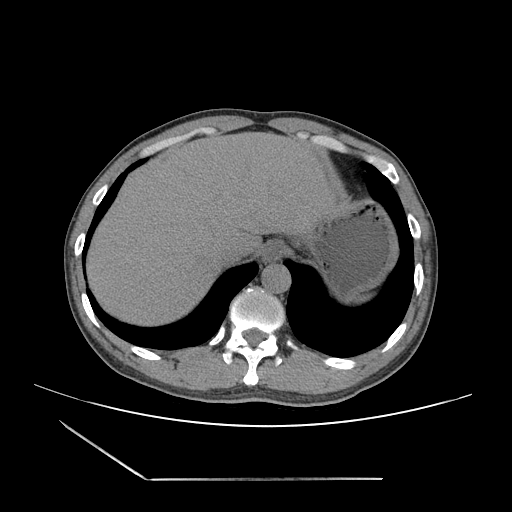 CT abdomen. Axial slice 156/173. acquired on SOMATOM Force. 15 organs annotated in this scan (that count is for the whole scan; organs this slice misses have no box)
Bounding boxes as [x1, y1, x2, y2] in pixel coordinates. 6 labeled organs on this slice — spleen at [347, 295, 366, 300]; esophagus at [261, 239, 285, 261]; liver at [86, 132, 337, 325]; stomach at [295, 200, 396, 296]; aorta at [261, 263, 291, 293]; inferior vena cava at [218, 239, 244, 265].